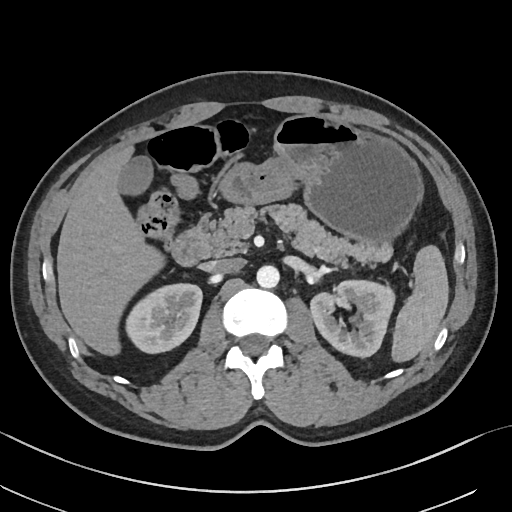 Computed tomography, abdomen. Axial slice 154/307. acquired on SOMATOM Force. 15 organs annotated in this scan (that count is for the whole scan; organs this slice misses have no box)
Bounding boxes in pixels, one row per box: x1, y1 is the top-left corner and x2, y2 the bottom-right.
| organ | x1 | y1 | x2 | y2 |
|---|---|---|---|---|
| left kidney | 310 | 280 | 395 | 357 |
| duodenum | 171 | 215 | 210 | 266 |
| pancreas | 206 | 204 | 392 | 265 |
| right kidney | 125 | 283 | 202 | 353 |
| liver | 57 | 147 | 164 | 355 |
| aorta | 256 | 265 | 279 | 288 |
| inferior vena cava | 203 | 258 | 244 | 272 |
| gall bladder | 119 | 156 | 152 | 195 |
| stomach | 219 | 114 | 422 | 242 |
| spleen | 391 | 245 | 448 | 362 |